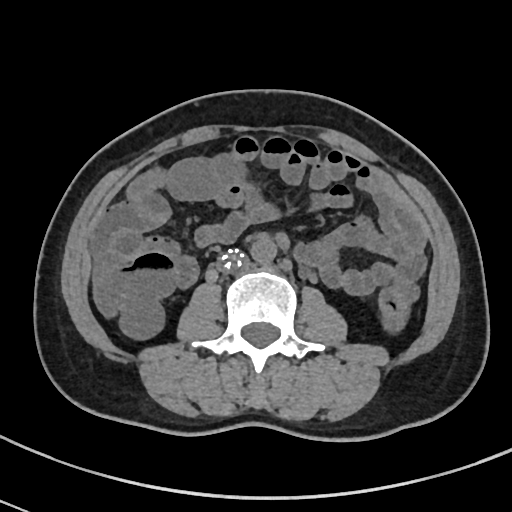

CT, abdomen/pelvis; axial view; W/L 400/40 HU; scan has 15 labeled organs (a whole-scan count: organs this slice does not pass through have no box)
<organs><organ name="aorta" x1="250" y1="236" x2="276" y2="264"/><organ name="inferior vena cava" x1="219" y1="251" x2="247" y2="272"/></organs>